CT of the abdomen extending into the chest, slice through the chest; axial view; soft-tissue window (W 400 / L 40); 48-year-old female patient; acquired on Aquilion ONE; scan has 15 labeled organs (a whole-scan count: organs this slice does not pass through have no box)
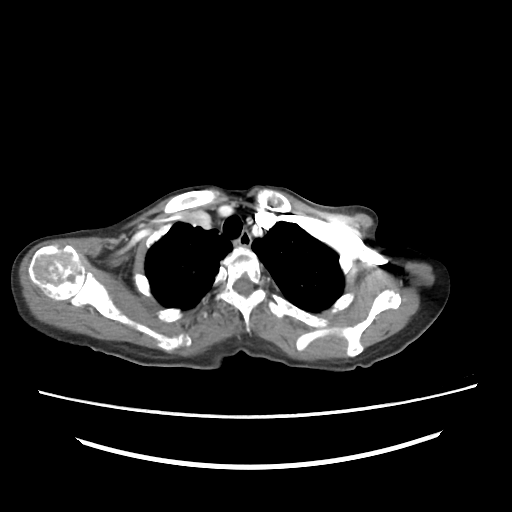 At this level of the chest no structure but the esophagus and the aorta has a label in this dataset, and those two are boxed only where they are labeled. Coordinates as <box>x1,y1,x2,y2</box> in pixels. The annotated organs in this slice are: esophagus at <box>239,229,251,247</box>.